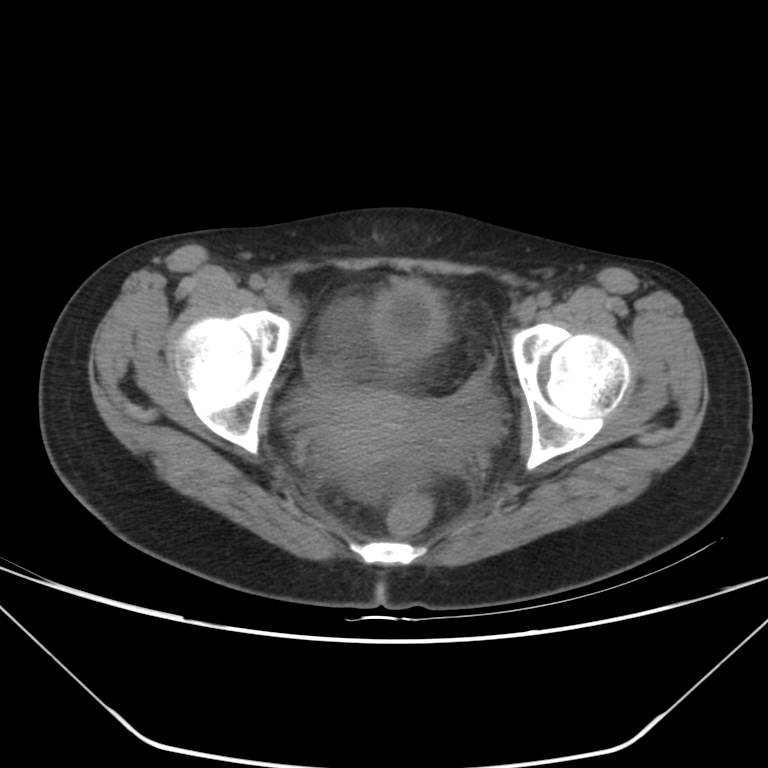
CT, abdomen/pelvis — axial view — soft-tissue window (W 400 / L 40) — 32-year-old female patient
Coordinates as <box>x1,y1,x2,y2</box> in pixels. 2 labeled organs on this slice — prostate/uterus at <box>325,387,407,474</box>; bladder at <box>369,283,446,361</box>.